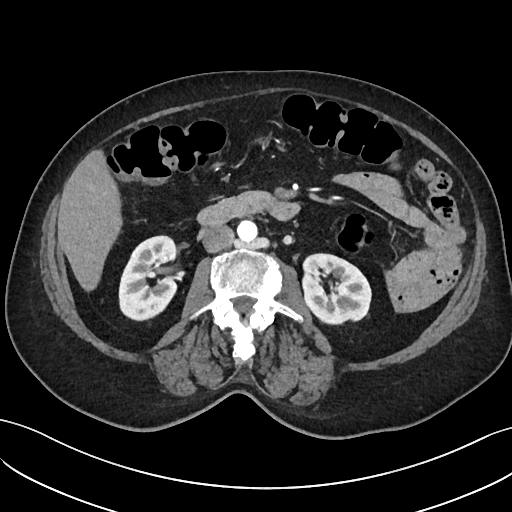
Abdominal CT — axial view — abdomen soft-tissue window — 512x512 px
Organ boxes in pixel coordinates; each row gives the top-left (x1, y1) and bottom-right (x2, y2) corners.
| organ | x1 | y1 | x2 | y2 |
|---|---|---|---|---|
| right kidney | 119 | 236 | 176 | 321 |
| left kidney | 303 | 254 | 371 | 325 |
| liver | 57 | 148 | 123 | 291 |
| aorta | 237 | 221 | 257 | 242 |
| inferior vena cava | 201 | 225 | 234 | 252 |
| pancreas | 213 | 191 | 274 | 218 |
| duodenum | 196 | 201 | 299 | 226 |